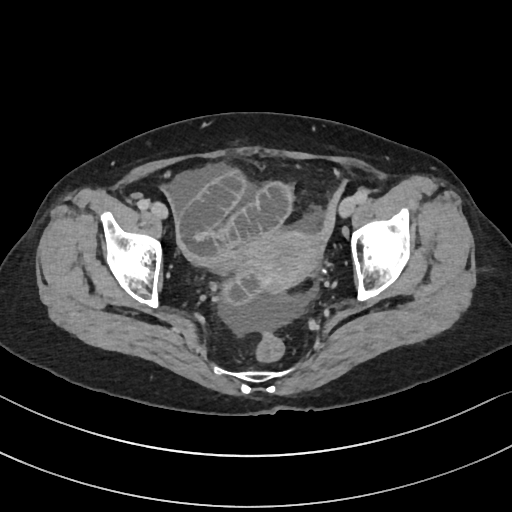 CT, abdomen/pelvis; axial view
{"organs":{"prostate/uterus":[246,231,319,289]}}